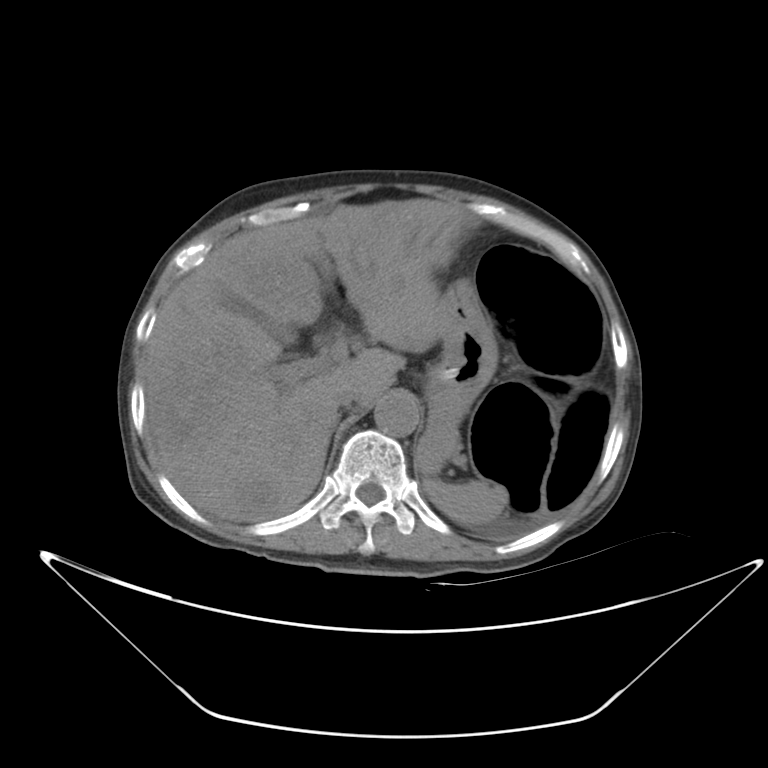
Computed tomography, abdomen. axial plane, index 72
Bounding boxes as [x1, y1, x2, y2] in pixel coordinates.
liver: [144, 198, 466, 522]
gall bladder: [222, 296, 296, 342]
stomach: [418, 278, 498, 474]
aorta: [374, 393, 419, 436]
spleen: [418, 462, 508, 528]
pancreas: [452, 447, 463, 458]
inferior vena cava: [332, 387, 360, 410]